Abdominal CT — axial view — abdomen soft-tissue window — acquired on Aquilion ONE
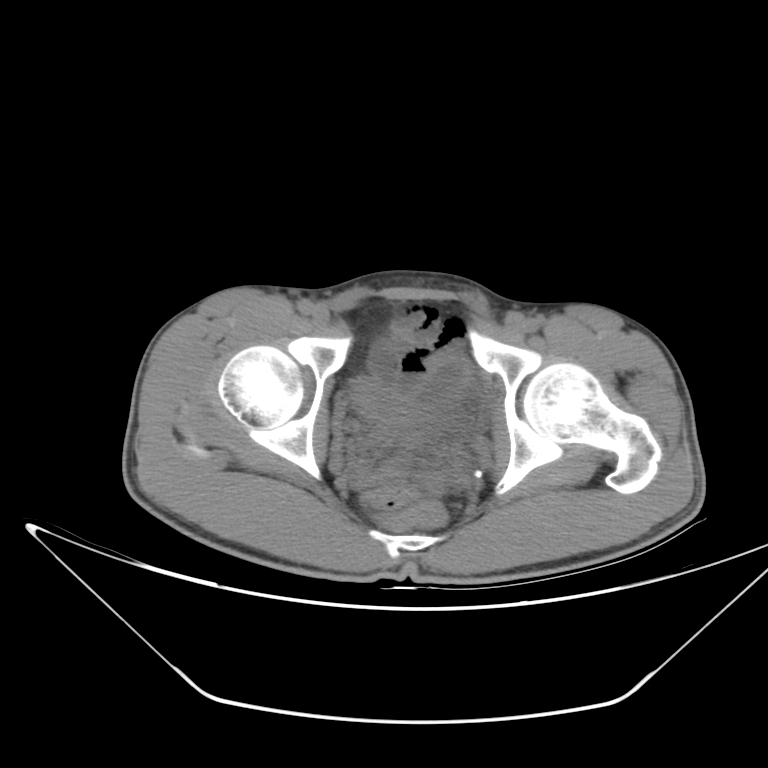

Coordinates as <box>x1,y1,x2,y2</box> in pixels.
Organ bounding boxes:
- bladder: <box>349,355,471,433</box>